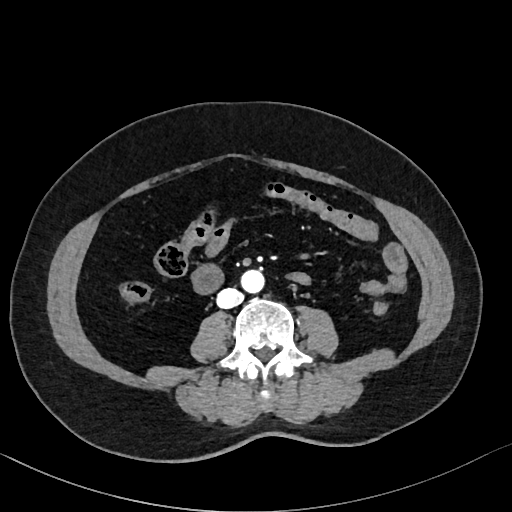
CT abdomen — Axial slice 111/222 — soft-tissue window (W 400 / L 40)
Boxes are (x1, y1, x2, y2) in pixels.
Organ bounding boxes:
- inferior vena cava: (217, 288, 243, 308)
- aorta: (241, 269, 265, 293)